Computed tomography, abdomen. axial plane, index 13. W/L 400/40 HU. 512x512 px. acquired on SOMATOM Force
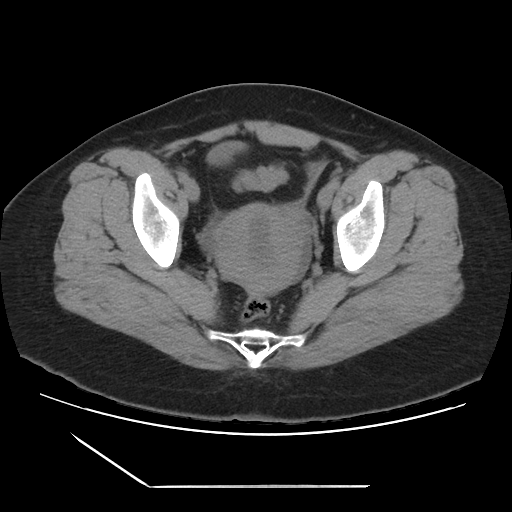
Organ boxes in pixel coordinates; each row gives the top-left (x1, y1) and bottom-right (x2, y2) corners.
| organ | x1 | y1 | x2 | y2 |
|---|---|---|---|---|
| bladder | 208 | 143 | 242 | 160 |
| prostate/uterus | 216 | 203 | 305 | 294 |